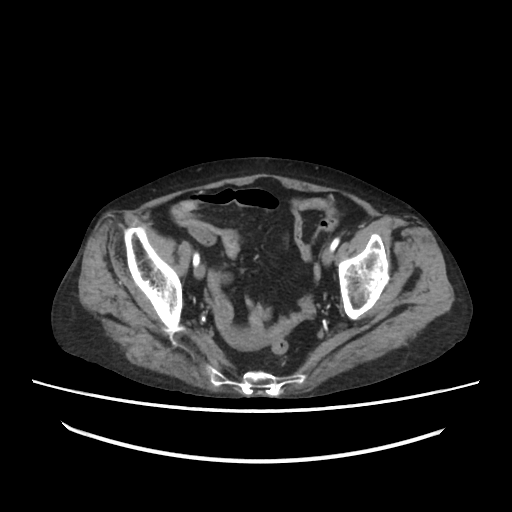 Computed tomography, abdomen — axial view — 512x512 px — 15 organs annotated in this scan (counted over the whole 3D scan, not this slice; an organ is boxed only where this slice passes through it)
One row per box, in pixels: columns x1 and y1 give the top-left corner, x2 and y2 the bottom-right.
| organ | x1 | y1 | x2 | y2 |
|---|---|---|---|---|
| prostate/uterus | 223 | 328 | 269 | 351 |